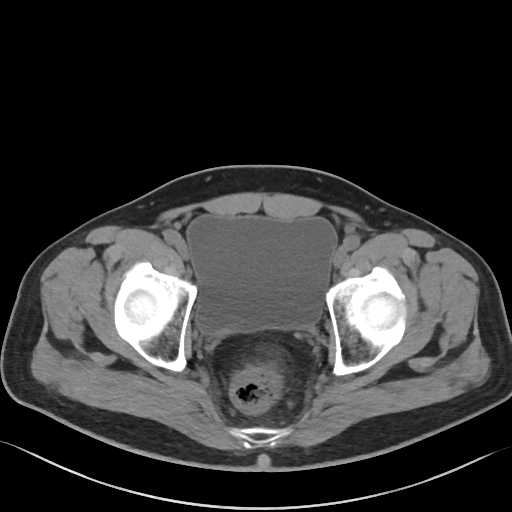 CT, abdomen/pelvis · axial plane, index 19 · W/L 400/40 HU · 15 organs annotated in this scan (a whole-scan count: organs this slice does not pass through have no box)
{"organs":{"bladder":[187,215,336,332]}}